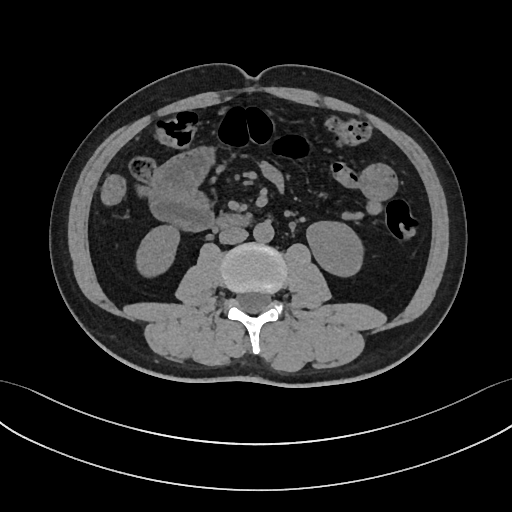

Abdominal CT; Axial slice 128/225; W/L 400/40 HU; acquired on SOMATOM Force
{"organs":{"right kidney":[136,224,180,274],"left kidney":[306,220,363,277],"aorta":[253,221,273,243],"inferior vena cava":[219,228,247,244],"duodenum":[213,213,251,229]}}